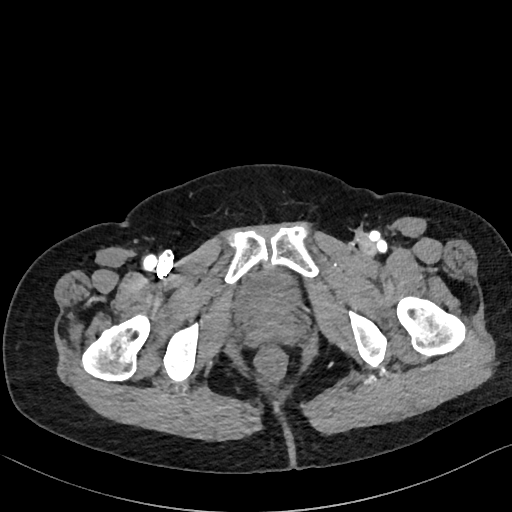
Computed tomography, abdomen. axial view. SOMATOM Force scanner
{"organs":{"bladder":[235,271,297,319]}}